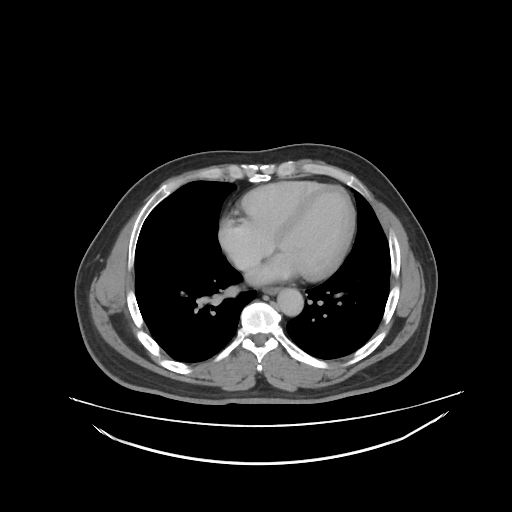

Abdominal CT; this slice is in the lower chest, just above the liver. axial plane, index 95. 45-year-old male patient. 15 organs annotated in this scan (that count is for the whole scan; organs this slice misses have no box)
Of the structures in the chest, this dataset labels only the esophagus, the aorta and the inferior vena cava; the heart and lungs have no label. Bounding boxes as [x1, y1, x2, y2] in pixel coordinates. Labeled organs on this slice: esophagus at [262, 285, 279, 293], aorta at [276, 289, 303, 314], inferior vena cava at [231, 253, 259, 270].